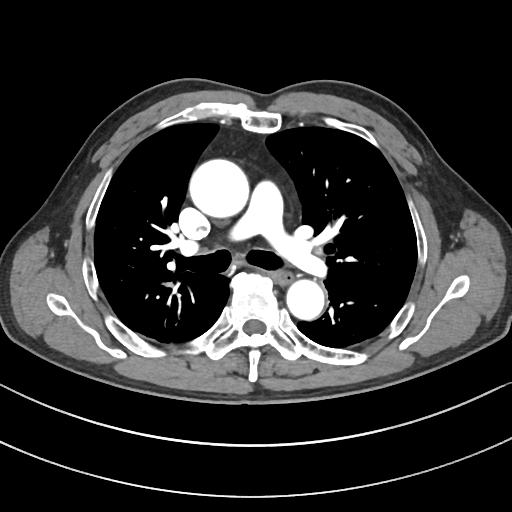

Abdominal CT reaching into the chest; this slice is in the chest · axial view · 512x512 px · SOMATOM Force scanner
At this level of the chest this dataset labels only the esophagus and the aorta, and each is boxed only where it is labeled; the heart and lungs are never labeled.
Box edges are left/top/right/bottom in pixels.
esophagus: left=274, top=271, right=292, bottom=284
aorta: left=189, top=159, right=249, bottom=217
aorta: left=286, top=279, right=324, bottom=320